CT, abdomen/pelvis — Axial slice 59/228 — scan has 15 labeled organs (a whole-scan count: organs this slice does not pass through have no box)
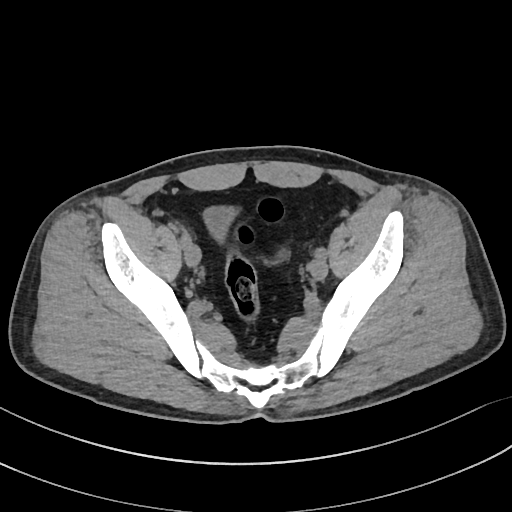 Bounding boxes as [x1, y1, x2, y2] in pixel coordinates.
Organ bounding boxes:
- bladder: [204, 207, 233, 237]